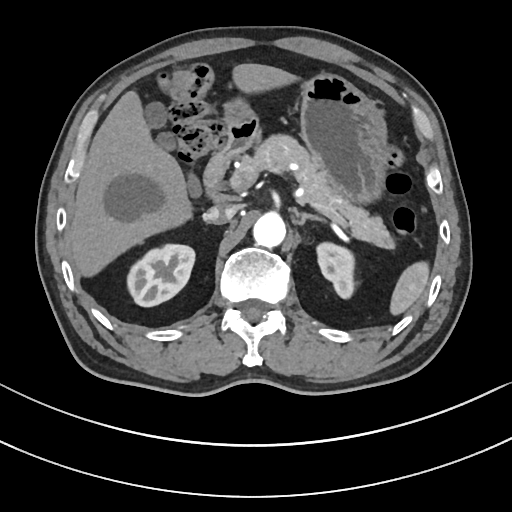

CT, abdomen/pelvis. axial view. 512x512 px
<organs><organ name="right kidney" x1="127" y1="244" x2="195" y2="306"/><organ name="pancreas" x1="251" y1="134" x2="395" y2="248"/><organ name="left adrenal gland" x1="295" y1="212" x2="323" y2="224"/><organ name="left kidney" x1="316" y1="242" x2="354" y2="298"/><organ name="inferior vena cava" x1="203" y1="205" x2="235" y2="224"/><organ name="liver" x1="68" y1="63" x2="296" y2="276"/><organ name="aorta" x1="253" y1="212" x2="285" y2="247"/><organ name="duodenum" x1="204" y1="116" x2="257" y2="197"/><organ name="spleen" x1="390" y1="261" x2="429" y2="314"/><organ name="stomach" x1="224" y1="73" x2="386" y2="203"/><organ name="gall bladder" x1="144" y1="102" x2="199" y2="195"/></organs>